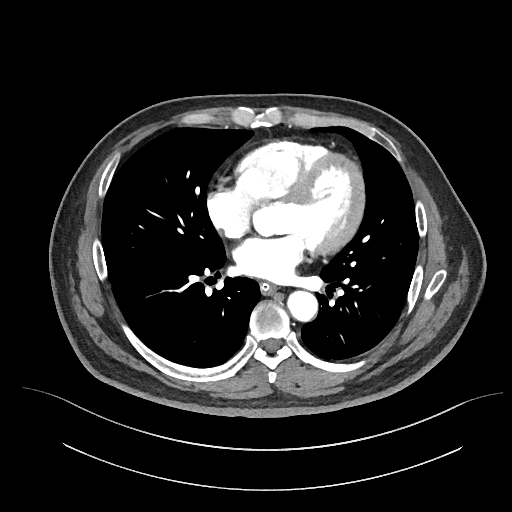
Lower-chest slice from an abdominal CT, just above the liver and spleen. axial view. scan has 15 labeled organs (counted over the whole 3D scan, not this slice; an organ is boxed only where this slice passes through it)
No part of the heart or lungs is labeled in this dataset, so neither has a box here.
Organ boxes in pixel coordinates; each row gives the top-left (x1, y1) and bottom-right (x2, y2) corners.
| organ | x1 | y1 | x2 | y2 |
|---|---|---|---|---|
| esophagus | 260 | 282 | 277 | 294 |
| aorta | 287 | 290 | 317 | 320 |